CT, abdomen/pelvis — axial view
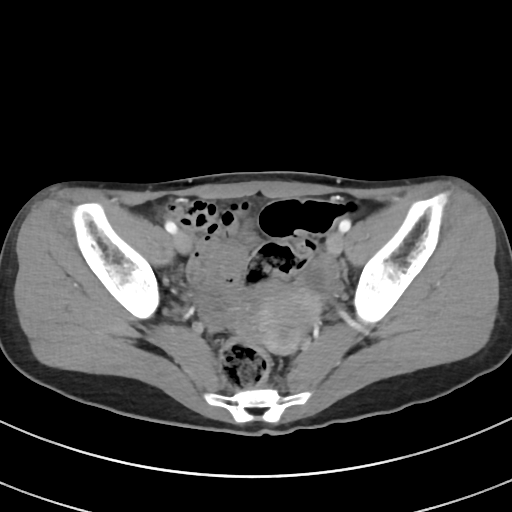
Boxes are (x1, y1, x2, y2) in pixels.
prostate/uterus: (247, 283, 321, 353)